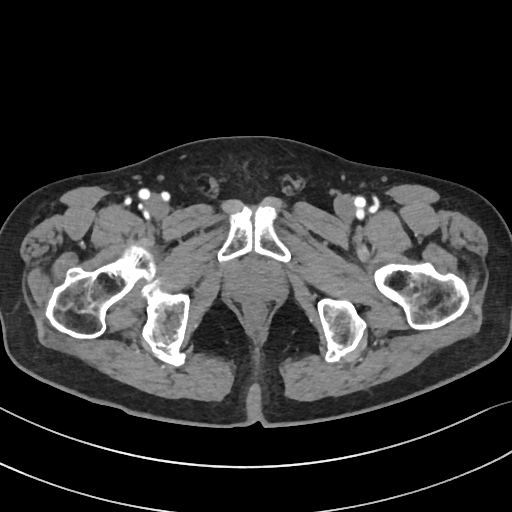

CT, abdomen/pelvis — axial view — soft-tissue window (W 400 / L 40) — 512x512 px — 15 organs annotated in this scan (counted over the whole 3D scan, not this slice; an organ is boxed only where this slice passes through it)
Organ boxes in pixel coordinates; each row gives the top-left (x1, y1) and bottom-right (x2, y2) corners.
| organ | x1 | y1 | x2 | y2 |
|---|---|---|---|---|
| prostate/uterus | 226 | 263 | 281 | 302 |